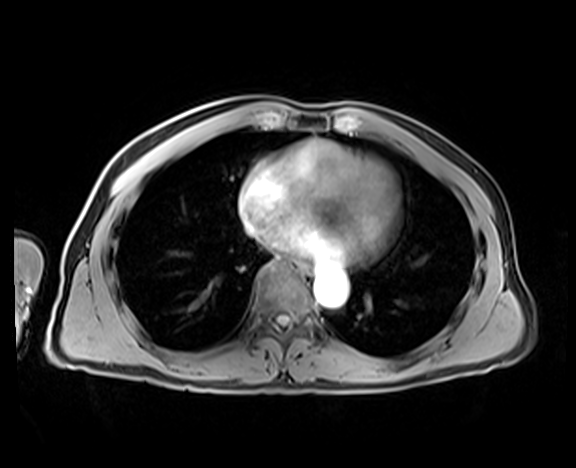 Lower-chest slice from an abdominal MRI, just above the liver and spleen. axial view. 576x468 px. 13 organs annotated in this scan (counted over the whole 3D scan, not this slice; an organ is boxed only where this slice passes through it)
No part of the heart or lungs is labeled in this dataset, so neither has a box here.
Coordinates as <box>x1,y1,x2,y2</box> in pixels.
Organ bounding boxes:
- esophagus: <box>295,260,311,275</box>
- aorta: <box>314,270,347,306</box>